CT, abdomen/pelvis — axial view — soft-tissue window — 50-year-old male patient — acquired on Aquilion ONE
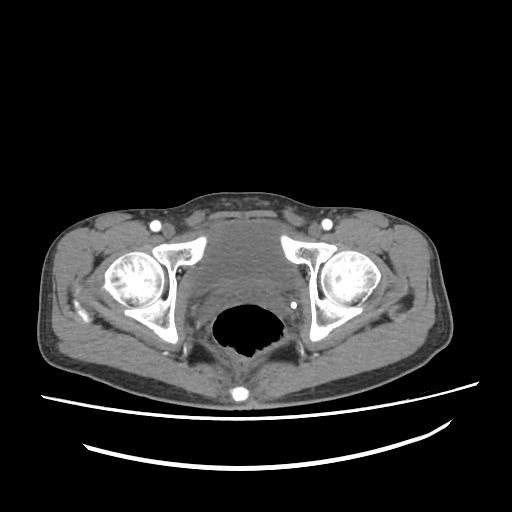 <organs><organ name="bladder" x1="193" y1="221" x2="294" y2="290"/></organs>